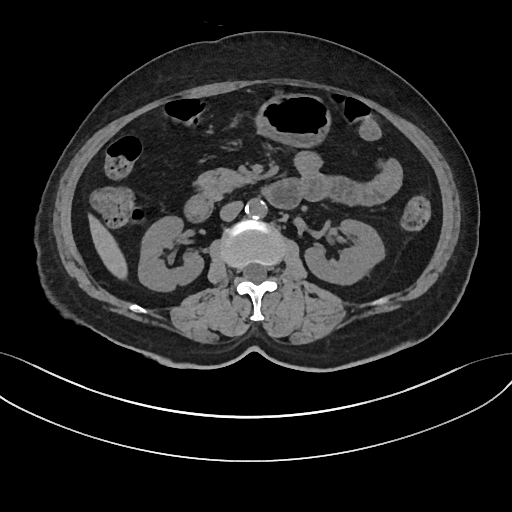 CT, abdomen/pelvis; axial plane, index 125; 512x512 px; scan has 15 labeled organs (counted over the whole 3D scan, not this slice; an organ is boxed only where this slice passes through it)
<organs><organ name="right kidney" x1="138" y1="216" x2="203" y2="291"/><organ name="left kidney" x1="304" y1="219" x2="384" y2="284"/><organ name="liver" x1="88" y1="214" x2="127" y2="279"/><organ name="stomach" x1="255" y1="93" x2="330" y2="147"/><organ name="aorta" x1="245" y1="198" x2="267" y2="218"/><organ name="inferior vena cava" x1="220" y1="201" x2="242" y2="221"/><organ name="pancreas" x1="195" y1="168" x2="250" y2="199"/><organ name="duodenum" x1="184" y1="179" x2="301" y2="222"/></organs>